Computed tomography, abdomen · axial view · 76-year-old female patient · 15 organs annotated in this scan (counted over the whole 3D scan, not this slice; an organ is boxed only where this slice passes through it)
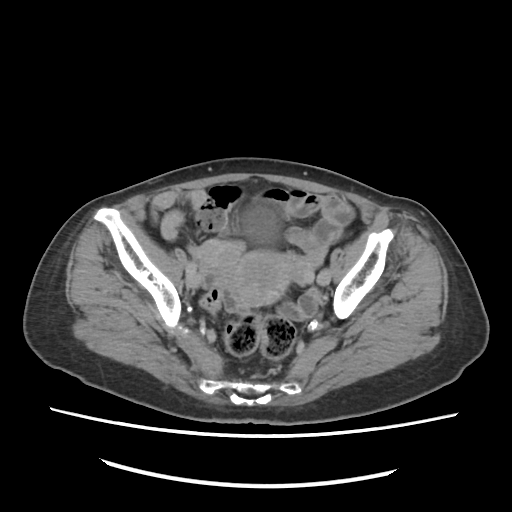

<organs><organ name="bladder" x1="246" y1="206" x2="281" y2="248"/><organ name="prostate/uterus" x1="202" y1="240" x2="290" y2="306"/></organs>